CT of the abdomen reaching into the lower chest, slice just above the liver and spleen · axial view · 512x512 px
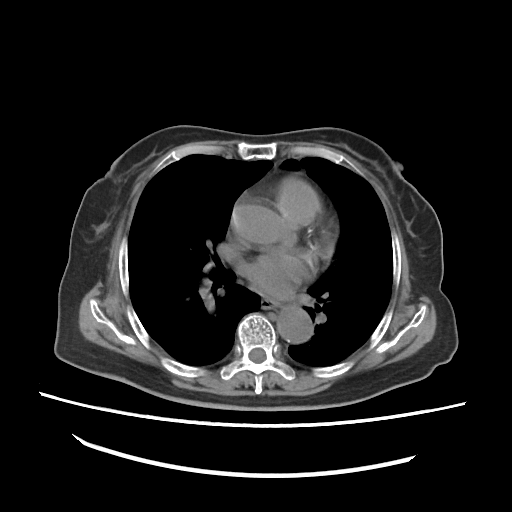

No part of the heart or lungs is labeled in this dataset, so neither has a box here. Coordinates as <box>x1,y1,x2,y2</box> in pixels. The annotated organs in this slice are: esophagus at <box>258,299,277,309</box>, aorta at <box>230,201,284,243</box>, aorta at <box>277,305,313,343</box>.